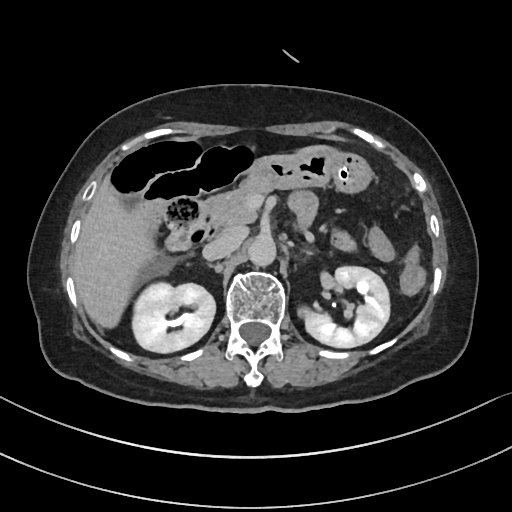
Abdominal CT — axial plane, index 151 — 512x512 px — SOMATOM Force scanner
Boxes: x1 y1 x2 y2 (pixel coords, space-separated).
right kidney: 131 283 215 353
left kidney: 299 266 390 347
liver: 72 146 325 325
stomach: 252 148 371 191
aorta: 248 235 275 265
inferior vena cava: 202 228 245 260
pancreas: 206 180 270 226
duodenum: 164 200 231 251